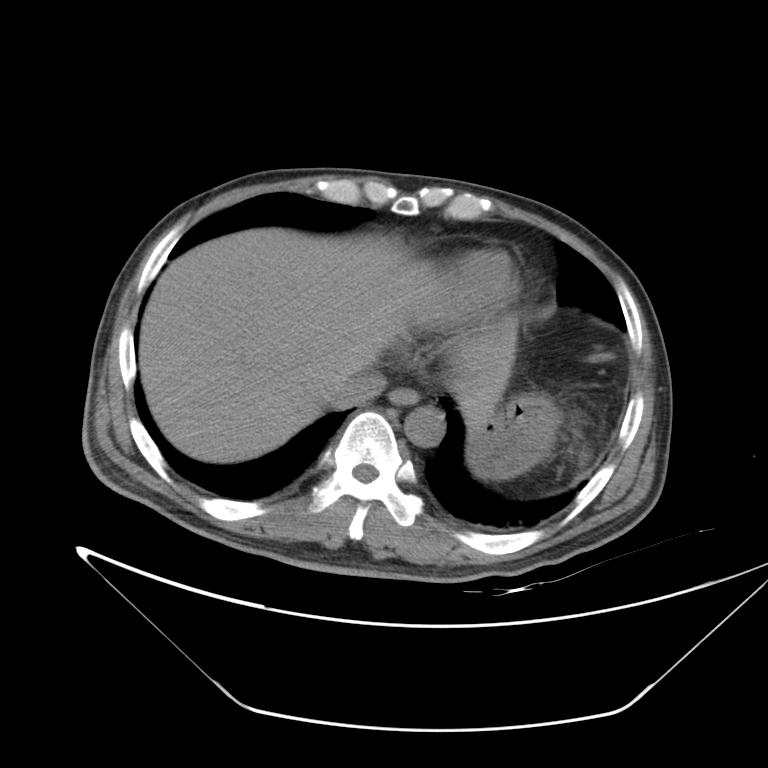 Abdominal CT. axial plane, index 94. soft-tissue window. 47-year-old male patient
Boxes: x1 y1 x2 y2 (pixel coords, space-separated). 5 labeled organs on this slice — aorta at 403 406 444 447; inferior vena cava at 328 369 386 408; esophagus at 389 387 419 405; stomach at 468 391 559 479; liver at 138 228 515 463.